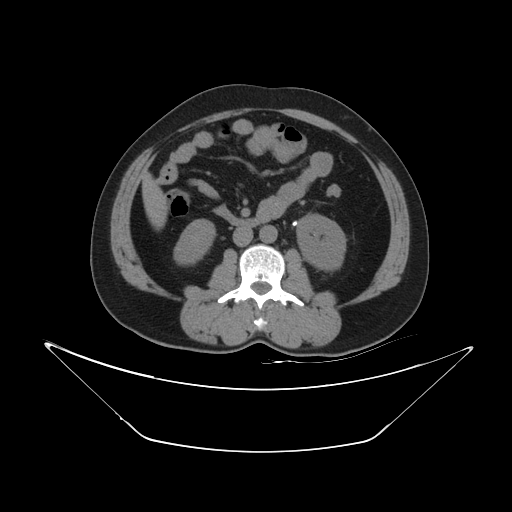
Abdominal CT — axial view — soft-tissue window
Boxes: x1 y1 x2 y2 (pixel coords, space-separated).
right kidney: 174 219 214 265
left kidney: 297 214 345 270
liver: 141 172 167 230
aorta: 259 225 277 243
inferior vena cava: 232 226 252 246
duodenum: 214 206 259 226